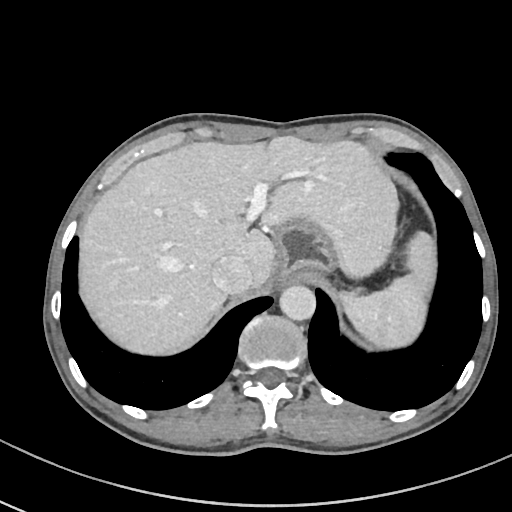

CT, abdomen/pelvis; axial view; 512x512 px
Organ boxes in pixel coordinates; each row gives the top-left (x1, y1) and bottom-right (x2, y2) corners.
| organ | x1 | y1 | x2 | y2 |
|---|---|---|---|---|
| spleen | 339 | 272 | 426 | 348 |
| aorta | 278 | 283 | 315 | 319 |
| liver | 81 | 136 | 436 | 353 |
| inferior vena cava | 212 | 257 | 252 | 294 |
| stomach | 272 | 218 | 338 | 284 |